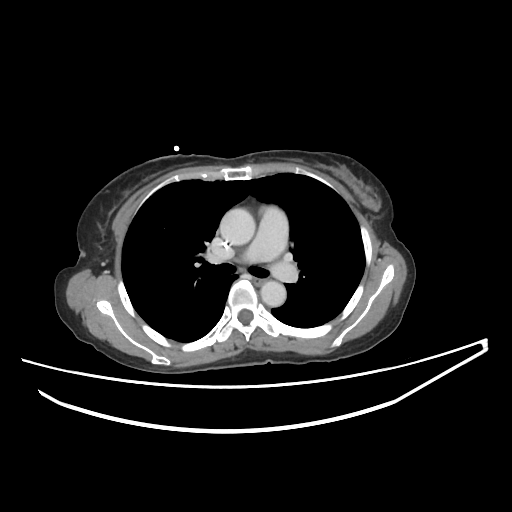

CT of the abdomen extending into the chest, slice through the chest; axial view; 62-year-old female patient; acquired on Aquilion ONE
At this level of the chest no structure but the esophagus and the aorta has a label in this dataset, and those two are boxed only where they are labeled.
Each box given as x1,y1,x2,y2.
Organ bounding boxes:
- aorta: x1=219, y1=208, x2=255, y2=245
- aorta: x1=260, y1=280, x2=286, y2=306
- esophagus: x1=253, y1=276, x2=266, y2=284